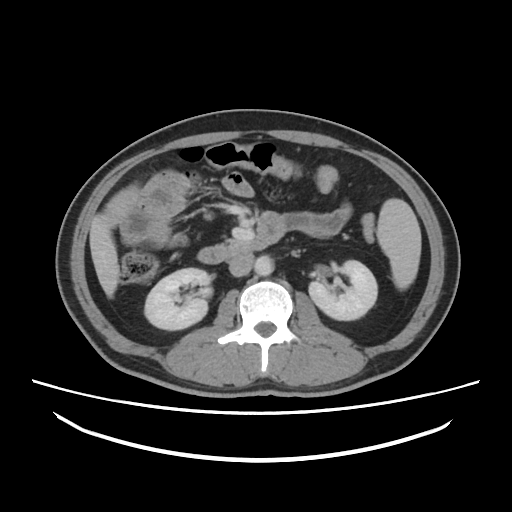 CT abdomen. Axial slice 64/133. W/L 400/40 HU. 15 organs annotated in this scan (counted over the whole 3D scan, not this slice; an organ is boxed only where this slice passes through it)
Box edges are left/top/right/bottom in pixels.
spleen: left=376, top=198, right=421, bottom=289
right kidney: left=144, top=268, right=212, bottom=330
left kidney: left=309, top=260, right=377, bottom=320
liver: left=89, top=216, right=119, bottom=297
aorta: left=254, top=255, right=273, bottom=275
inferior vena cava: left=229, top=253, right=253, bottom=276
duodenum: left=197, top=212, right=284, bottom=263